Abdominal CT — axial view — abdomen soft-tissue window — 32-year-old female patient — scan has 15 labeled organs (a whole-scan count: organs this slice does not pass through have no box)
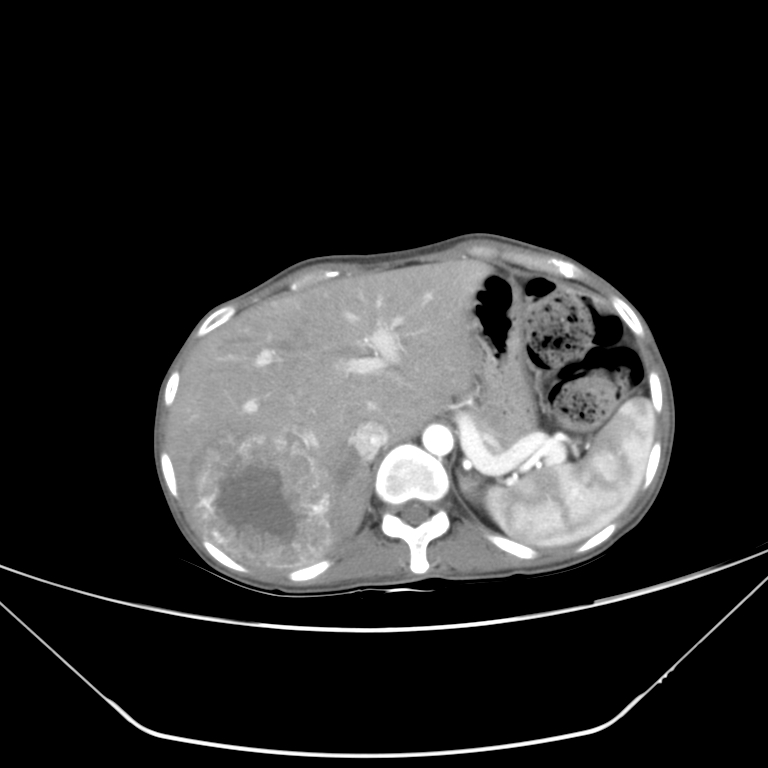

Boxes: x1:y1:x2:y2 in pixels.
pancreas: 473:409:486:428
stomach: 467:271:533:438
aorta: 422:424:453:456
spleen: 462:397:655:546
liver: 167:259:493:570
inferior vena cava: 352:420:389:458